Abdominal CT; axial plane, index 46; 768x768 px; Brilliance16 scanner; 15 organs annotated in this scan (counted over the whole 3D scan, not this slice; an organ is boxed only where this slice passes through it)
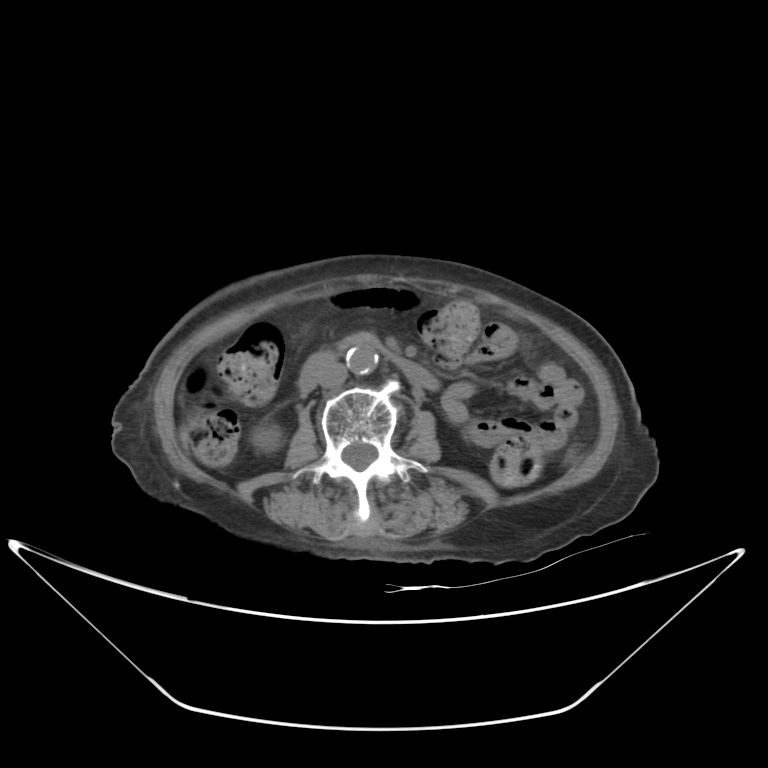

Boxes: x1:y1:x2:y2 in pixels.
right kidney: 253:424:282:451
aorta: 345:346:377:375
inferior vena cava: 316:361:347:387
pancreas: 339:331:380:350
duodenum: 298:351:437:393